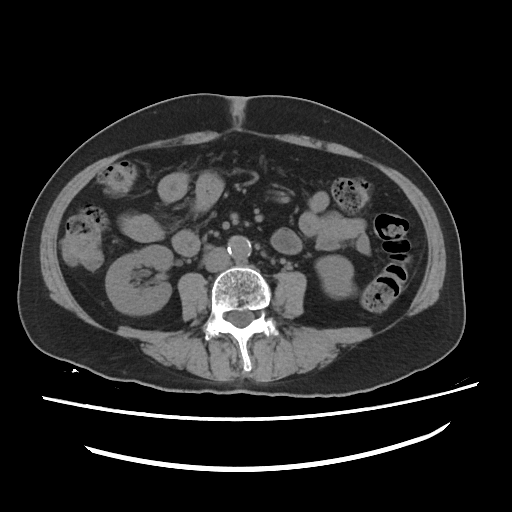
CT abdomen · axial view · 512x512 px · acquired on Aquilion ONE
{"organs":{"right kidney":[106,245,172,314],"left kidney":[316,256,353,294],"aorta":[228,236,251,260],"inferior vena cava":[203,247,230,271]}}